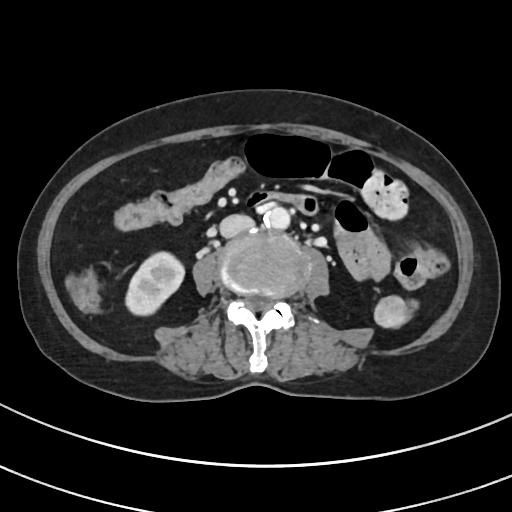

Computed tomography, abdomen; Axial slice 106/284
Boxes: x1 y1 x2 y2 (pixel coords, space-separated).
right kidney: 125 252 184 315
aorta: 264 206 290 229
inferior vena cava: 219 214 254 238